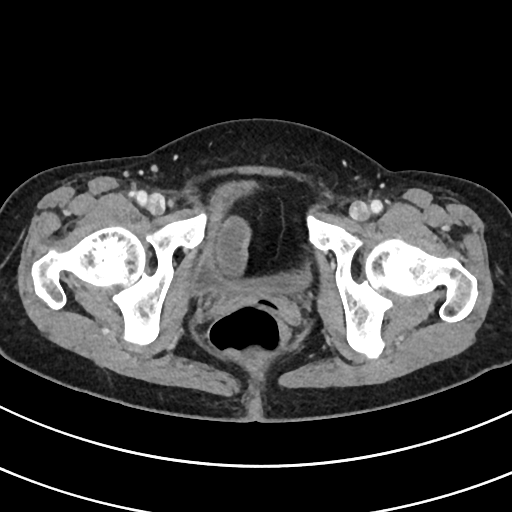

CT abdomen. axial view. abdomen soft-tissue window
Box edges are left/top/right/bottom in pixels. 1 labeled organ on this slice — bladder at left=193, top=181, right=312, bottom=294.